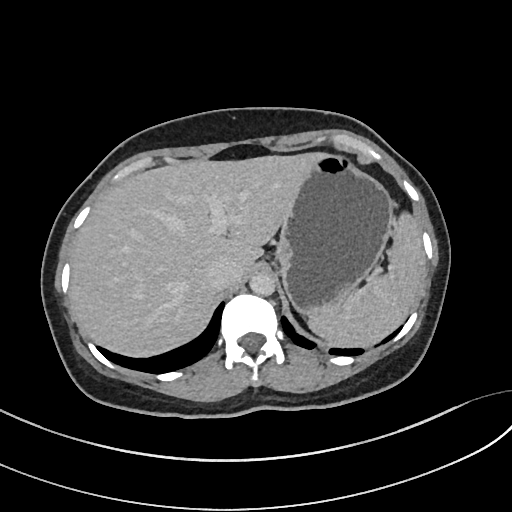

CT abdomen. axial view
Boxes: x1 y1 x2 y2 (pixel coords, space-separated).
spleen: 308 212 425 346
liver: 69 153 320 357
stomach: 275 153 394 316
aorta: 249 272 274 296
inferior vena cava: 206 260 239 290